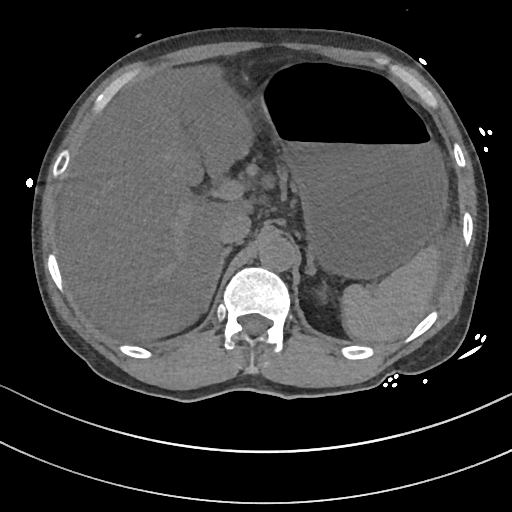
Abdominal CT; axial view; 512x512 px; SOMATOM Force scanner; scan has 15 labeled organs (counted over the whole 3D scan, not this slice; an organ is boxed only where this slice passes through it)
Organ boxes in pixel coordinates; each row gives the top-left (x1, y1) and bottom-right (x2, y2) corners.
| organ | x1 | y1 | x2 | y2 |
|---|---|---|---|---|
| spleen | 342 | 243 | 439 | 342 |
| gall bladder | 181 | 73 | 251 | 179 |
| liver | 56 | 67 | 249 | 341 |
| stomach | 259 | 65 | 446 | 277 |
| aorta | 259 | 234 | 295 | 271 |
| inferior vena cava | 216 | 213 | 251 | 244 |
| right adrenal gland | 202 | 245 | 232 | 309 |
| left adrenal gland | 303 | 247 | 316 | 272 |